CT abdomen; Axial slice 71/128; soft-tissue window; 512x512 px; 61-year-old female patient
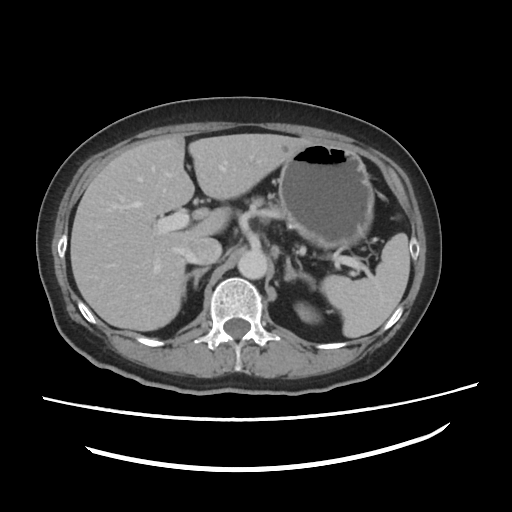 Boxes: x1 y1 x2 y2 (pixel coords, space-separated).
Organ bounding boxes:
- liver: 71 135 315 331
- right adrenal gland: 184 265 210 293
- pancreas: 249 196 286 218
- stomach: 278 142 374 249
- aorta: 237 250 267 279
- left adrenal gland: 283 255 318 293
- left kidney: 295 303 317 322
- spleen: 320 232 411 337
- inferior vena cava: 186 238 221 264